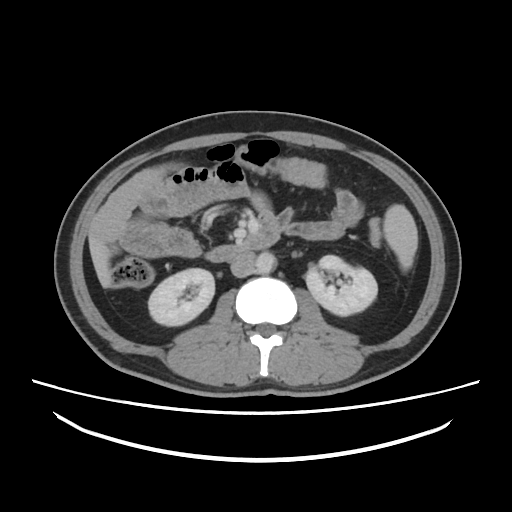

CT abdomen; axial view; 512x512 px; 31-year-old male patient; 15 organs annotated in this scan (a whole-scan count: organs this slice does not pass through have no box)
Boxes are (x1, y1, x2, y2) in pixels.
Organ bounding boxes:
- liver: (90, 237, 111, 287)
- spleen: (383, 204, 417, 270)
- inferior vena cava: (230, 252, 255, 277)
- left kidney: (305, 255, 377, 315)
- right kidney: (148, 268, 214, 325)
- aorta: (255, 251, 275, 273)
- duodenum: (206, 211, 279, 262)